Lower-chest slice from an abdominal CT, just above the liver and spleen. axial plane, index 83. soft-tissue window. 512x512 px
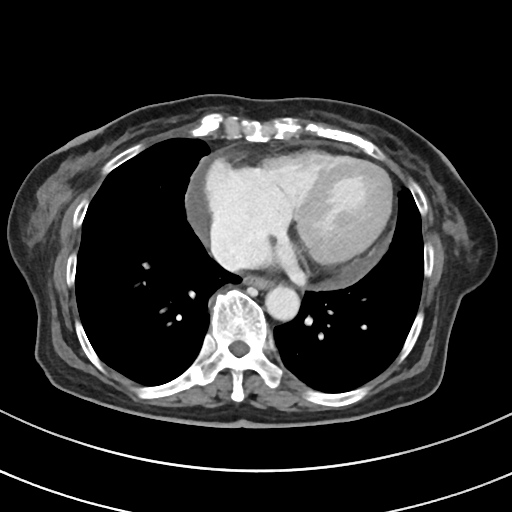

The heart and lungs are never labeled in this dataset, so they have no box on this slice.
<organs><organ name="esophagus" x1="245" y1="275" x2="273" y2="288"/><organ name="aorta" x1="265" y1="286" x2="300" y2="321"/><organ name="inferior vena cava" x1="211" y1="238" x2="270" y2="271"/></organs>